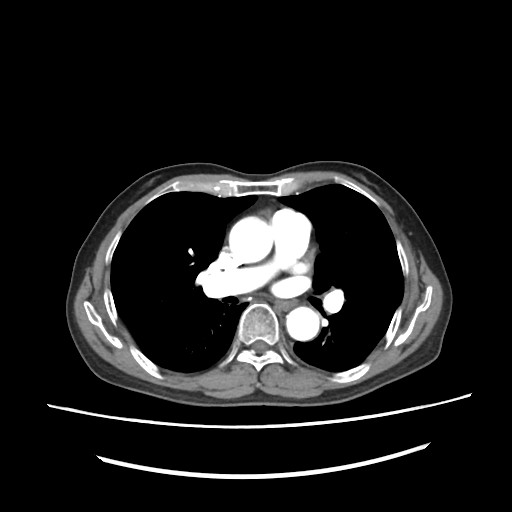

CT of the abdomen extending into the chest, slice through the chest. axial plane, index 103. soft-tissue window. Aquilion ONE scanner
At this level of the chest this dataset labels only the esophagus and the aorta, and each is boxed only where it is labeled; the heart and lungs are never labeled. Boxes: x1:y1:x2:y2 in pixels. The annotated organs in this slice are: esophagus at 272:299:297:311, aorta at 228:214:273:264, aorta at 283:305:319:339.